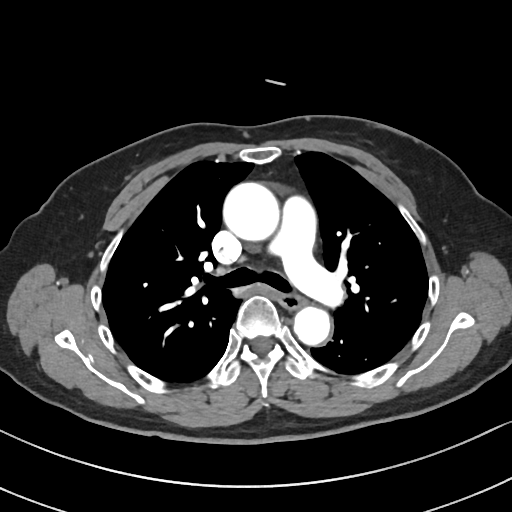
Chest-level CT slice, above the liver and spleen · axial view · 15 organs annotated in this scan (counted over the whole 3D scan, not this slice; an organ is boxed only where this slice passes through it)
At this level of the chest no structure but the esophagus and the aorta has a label in this dataset, and those two are boxed only where they are labeled.
Box edges are left/top/right/bottom in pixels.
esophagus: left=279, top=291, right=302, bottom=308
aorta: left=223, top=183, right=280, bottom=242
aorta: left=294, top=306, right=332, bottom=346